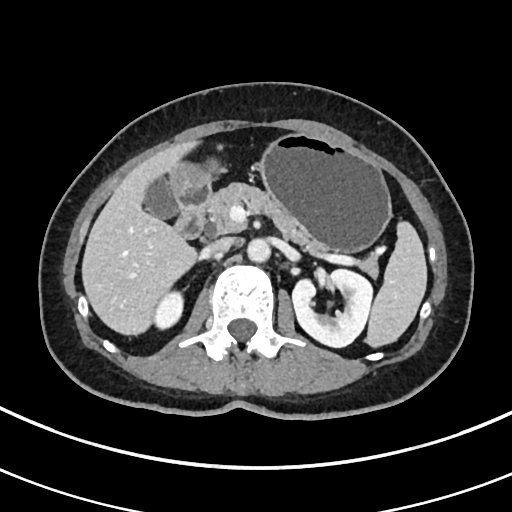 CT abdomen; axial view; 15 organs annotated in this scan (counted over the whole 3D scan, not this slice; an organ is boxed only where this slice passes through it)
Coordinates as <box>x1,y1,x2,y2</box> in pixels.
liver: <box>81,141,196,335</box>
aorta: <box>247,238,270,262</box>
pancreas: <box>205,182,378,276</box>
left kidney: <box>292,269,372,347</box>
inferior vena cava: <box>205,238,232,255</box>
duodenum: <box>175,183,211,238</box>
stomach: <box>168,133,391,252</box>
gall bladder: <box>144,179,177,219</box>
spleen: <box>365,221,427,347</box>
right kidney: <box>153,291,183,329</box>